Computed tomography, abdomen; axial plane, index 19; 512x512 px; 55-year-old male patient; 15 organs annotated in this scan (that count is for the whole scan; organs this slice misses have no box)
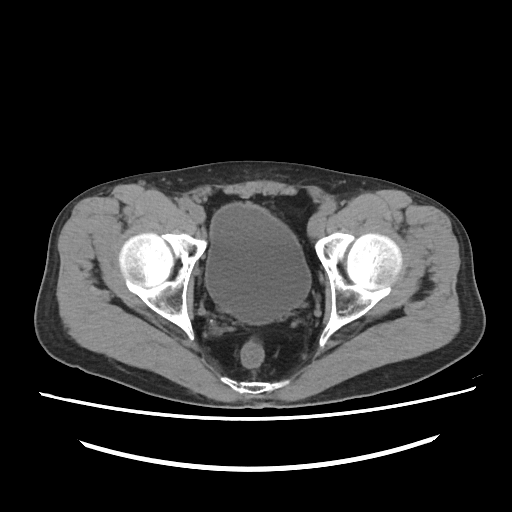

Bounding boxes in pixels, one row per box: x1, y1 is the top-left corner and x2, y2 the bottom-right.
| organ | x1 | y1 | x2 | y2 |
|---|---|---|---|---|
| bladder | 206 | 203 | 312 | 322 |